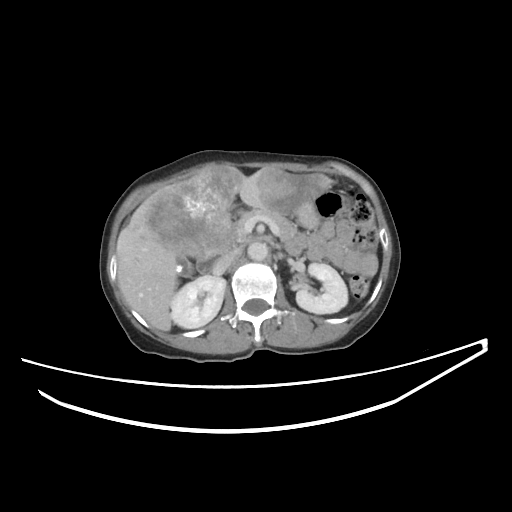
Abdominal CT; axial view; W/L 400/40 HU; 512x512 px
Bounding boxes in pixels, one row per box: x1, y1 is the top-left corner and x2, y2 the bottom-right.
| organ | x1 | y1 | x2 | y2 |
|---|---|---|---|---|
| right kidney | 170 | 276 | 225 | 328 |
| left kidney | 296 | 263 | 347 | 313 |
| gall bladder | 175 | 255 | 192 | 276 |
| liver | 116 | 166 | 332 | 331 |
| stomach | 293 | 204 | 319 | 228 |
| aorta | 247 | 242 | 268 | 260 |
| inferior vena cava | 213 | 249 | 240 | 274 |
| pancreas | 235 | 208 | 297 | 243 |
| duodenum | 196 | 252 | 223 | 274 |